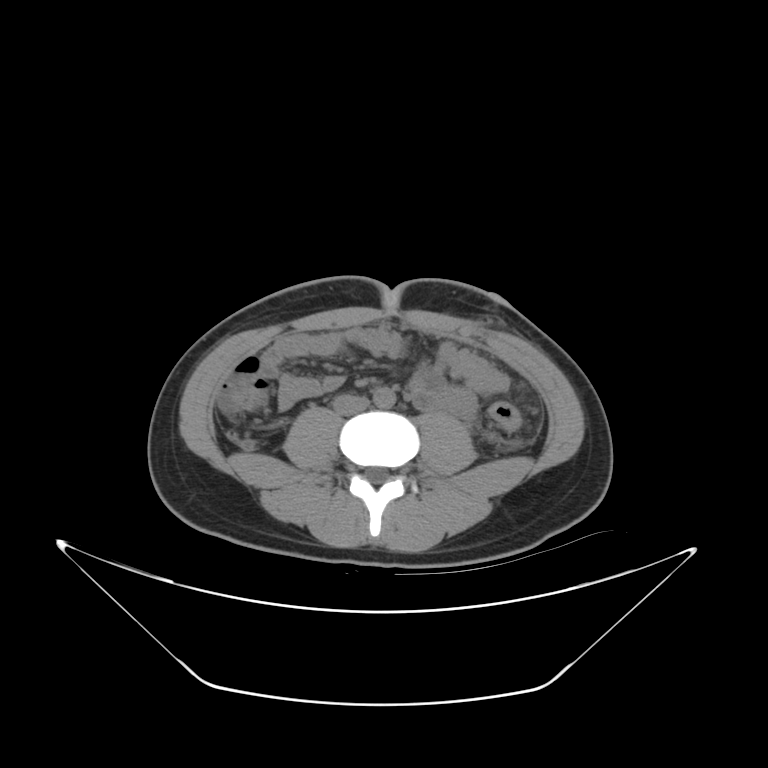 Abdominal CT; axial view; soft-tissue window (W 400 / L 40); 768x768 px
{"organs":{"aorta":[373,388,394,409],"inferior vena cava":[333,395,369,415]}}